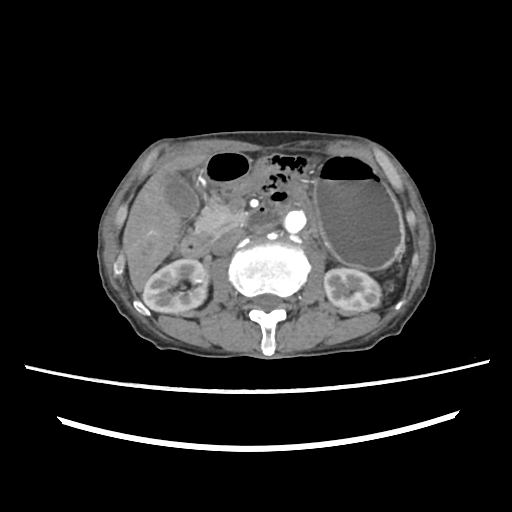
CT, abdomen/pelvis · axial view · 81-year-old male patient · scan has 15 labeled organs (a whole-scan count: organs this slice does not pass through have no box)
<organs><organ name="gall bladder" x1="165" y1="174" x2="199" y2="217"/><organ name="pancreas" x1="195" y1="202" x2="247" y2="237"/><organ name="stomach" x1="315" y1="155" x2="403" y2="268"/><organ name="liver" x1="122" y1="153" x2="207" y2="290"/><organ name="right kidney" x1="142" y1="258" x2="208" y2="313"/><organ name="duodenum" x1="178" y1="153" x2="280" y2="257"/><organ name="left kidney" x1="324" y1="268" x2="381" y2="313"/><organ name="aorta" x1="282" y1="208" x2="308" y2="233"/><organ name="inferior vena cava" x1="212" y1="227" x2="245" y2="254"/></organs>